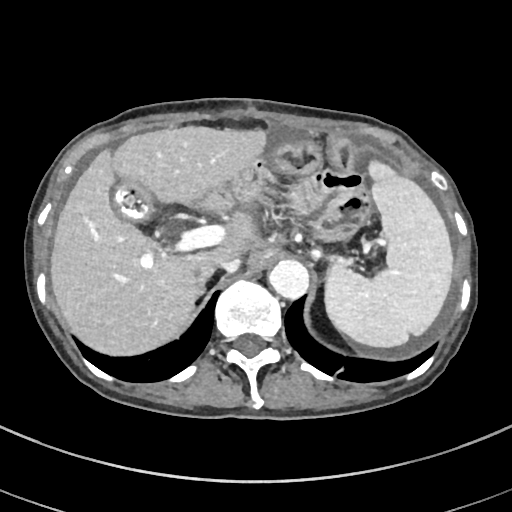

CT, abdomen/pelvis — axial view — 512x512 px — SOMATOM Force scanner
{"organs":{"liver":[50,126,265,356],"aorta":[267,259,308,298],"inferior vena cava":[199,257,240,271],"spleen":[326,159,453,348],"gall bladder":[114,181,153,221],"right adrenal gland":[196,265,215,298]}}